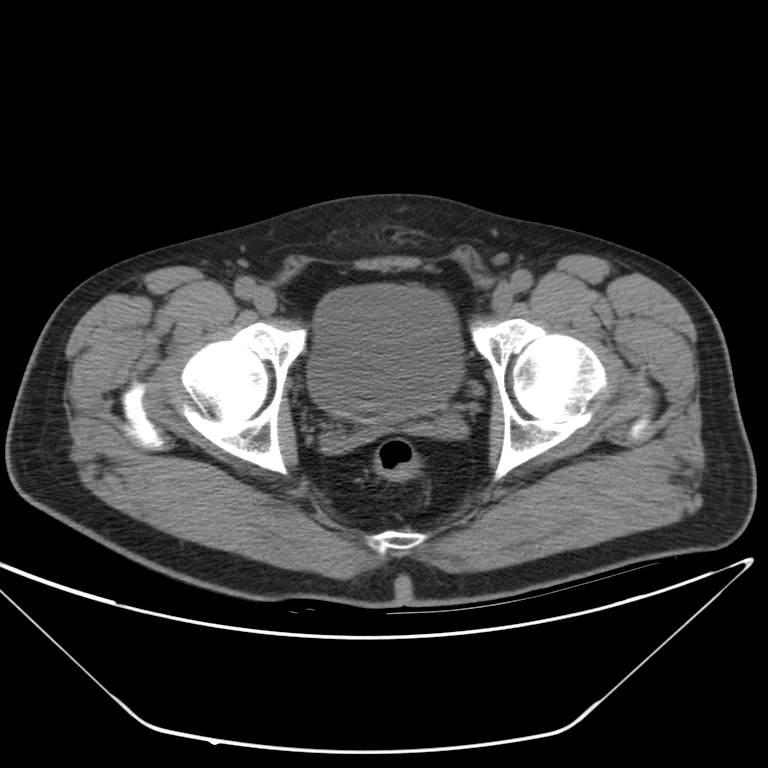
Abdominal CT · Axial slice 21/112 · 768x768 px · 45-year-old male patient
Bounding boxes as [x1, y1, x2, y2] in pixel coordinates. Labeled organs on this slice: bladder at [309, 287, 462, 422].